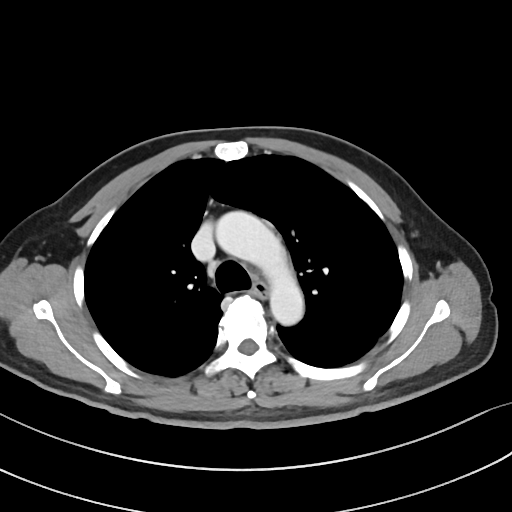
Abdominal CT reaching into the chest; this slice is in the chest · axial view
At this level of the chest this dataset labels only the esophagus and the aorta, and each is boxed only where it is labeled; the heart and lungs are never labeled.
Coordinates as <box>x1,y1,x2,y2</box> in pixels.
Organ bounding boxes:
- esophagus: <box>252,281,268,298</box>
- aorta: <box>215,211,304,325</box>